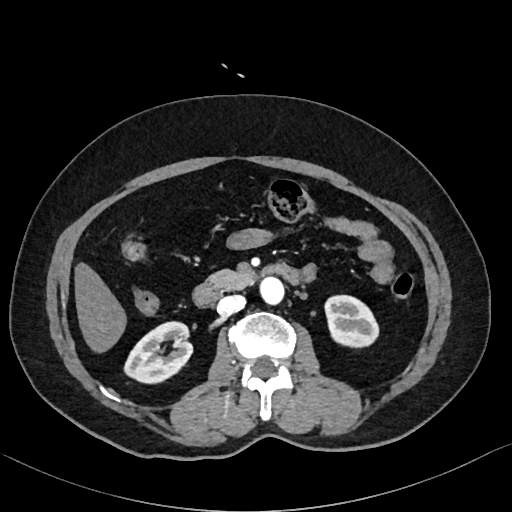 Computed tomography, abdomen · axial view · W/L 400/40 HU · 512x512 px · 15 organs annotated in this scan (that count is for the whole scan; organs this slice misses have no box)
Bounding boxes as [x1, y1, x2, y2] in pixel coordinates. 7 labeled organs on this slice — right kidney at [124, 321, 191, 383]; left kidney at [324, 295, 378, 347]; liver at [74, 262, 126, 353]; aorta at [260, 277, 284, 304]; inferior vena cava at [217, 295, 245, 315]; pancreas at [207, 269, 255, 289]; duodenum at [193, 264, 300, 306].